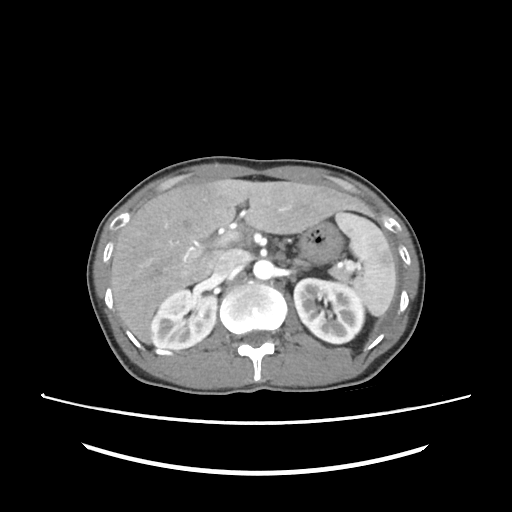

Computed tomography, abdomen — Axial slice 63/88 — acquired on Aquilion ONE — scan has 15 labeled organs (a whole-scan count: organs this slice does not pass through have no box)
Box edges are left/top/right/bottom in pixels.
Organ bounding boxes:
- spleen: left=335, top=212, right=396, bottom=316
- right kidney: left=151, top=289, right=216, bottom=349
- left kidney: left=294, top=278, right=364, bottom=343
- liver: left=110, top=179, right=376, bottom=343
- stomach: left=299, top=221, right=342, bottom=263
- aorta: left=253, top=260, right=274, bottom=279
- inferior vena cava: left=213, top=249, right=248, bottom=278
- left adrenal gland: left=292, top=259, right=308, bottom=268